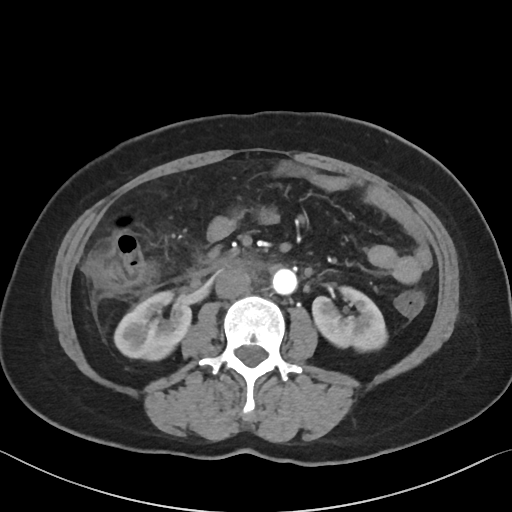
Computed tomography, abdomen · axial plane, index 45
Bounding boxes in pixels, one row per box: x1, y1 is the top-left corner and x2, y2 the bottom-right.
| organ | x1 | y1 | x2 | y2 |
|---|---|---|---|---|
| left kidney | 312 | 287 | 387 | 350 |
| inferior vena cava | 215 | 266 | 250 | 298 |
| right kidney | 114 | 291 | 191 | 360 |
| duodenum | 211 | 257 | 240 | 269 |
| aorta | 272 | 268 | 297 | 294 |